CT abdomen. Axial slice 141/202. abdomen soft-tissue window
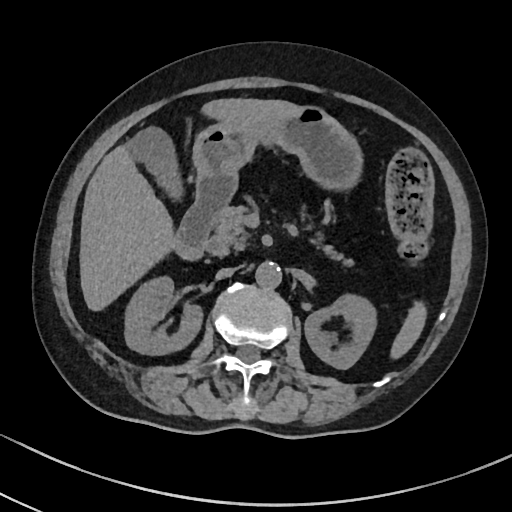 <organs><organ name="spleen" x1="390" y1="301" x2="426" y2="358"/><organ name="right kidney" x1="125" y1="276" x2="202" y2="354"/><organ name="left kidney" x1="304" y1="294" x2="376" y2="369"/><organ name="gall bladder" x1="127" y1="127" x2="183" y2="200"/><organ name="liver" x1="79" y1="98" x2="301" y2="311"/><organ name="stomach" x1="192" y1="105" x2="362" y2="190"/><organ name="aorta" x1="255" y1="262" x2="282" y2="289"/><organ name="inferior vena cava" x1="216" y1="267" x2="235" y2="278"/><organ name="pancreas" x1="205" y1="205" x2="353" y2="266"/><organ name="duodenum" x1="174" y1="173" x2="237" y2="260"/></organs>